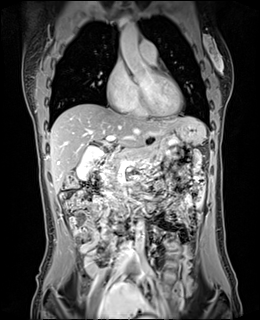 Abdominal MRI; coronal acquisition; 1st–99th percentile window
Bounding boxes in pixels, one row per box: x1, y1 is the top-left corner and x2, y2 the bottom-right.
| organ | x1 | y1 | x2 | y2 |
|---|---|---|---|---|
| stomach | 175 | 123 | 203 | 144 |
| duodenum | 100 | 156 | 141 | 196 |
| pancreas | 101 | 145 | 156 | 183 |
| gall bladder | 76 | 145 | 103 | 180 |
| liver | 49 | 103 | 205 | 193 |
| aorta | 120 | 24 | 152 | 78 |
| aorta | 135 | 220 | 144 | 250 |